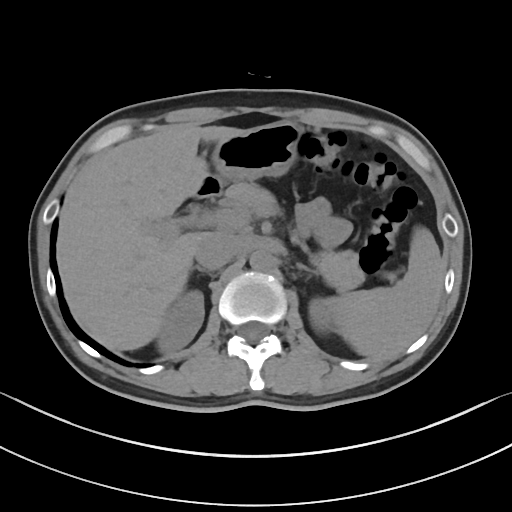

CT abdomen. axial plane, index 66. soft-tissue window (W 400 / L 40). 512x512 px
<organs><organ name="spleen" x1="322" y1="228" x2="444" y2="358"/><organ name="aorta" x1="249" y1="250" x2="273" y2="271"/><organ name="pancreas" x1="224" y1="182" x2="364" y2="291"/><organ name="inferior vena cava" x1="194" y1="232" x2="239" y2="270"/><organ name="duodenum" x1="198" y1="174" x2="222" y2="196"/><organ name="stomach" x1="212" y1="121" x2="303" y2="181"/><organ name="right adrenal gland" x1="194" y1="266" x2="203" y2="271"/><organ name="left adrenal gland" x1="297" y1="263" x2="315" y2="275"/><organ name="right kidney" x1="158" y1="290" x2="204" y2="352"/><organ name="left kidney" x1="309" y1="298" x2="335" y2="334"/><organ name="liver" x1="56" y1="125" x2="246" y2="350"/></organs>